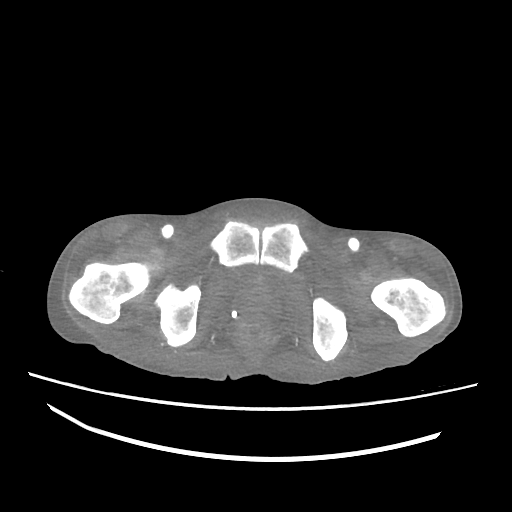

CT, abdomen/pelvis; axial view; soft-tissue window; 512x512 px
<organs><organ name="prostate/uterus" x1="240" y1="289" x2="273" y2="315"/><organ name="bladder" x1="228" y1="266" x2="264" y2="293"/></organs>